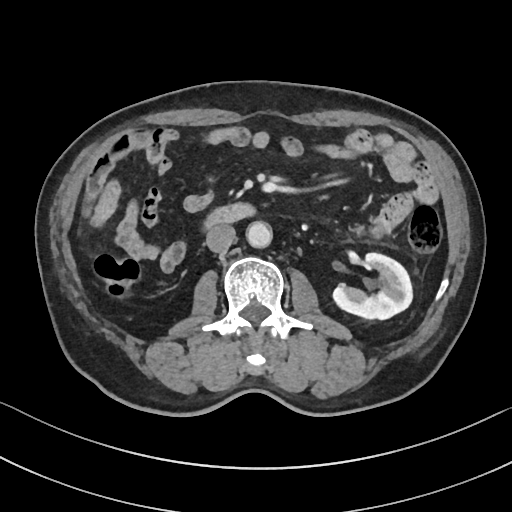 CT, abdomen/pelvis; axial view; soft-tissue window; 512x512 px; SOMATOM Force scanner
{"organs":{"left kidney":[333,253,412,318],"aorta":[246,220,271,247],"inferior vena cava":[206,224,235,252],"duodenum":[204,203,255,227]}}